CT of the abdomen reaching into the lower chest, slice just above the liver and spleen · axial plane, index 92 · W/L 400/40 HU · 768x768 px
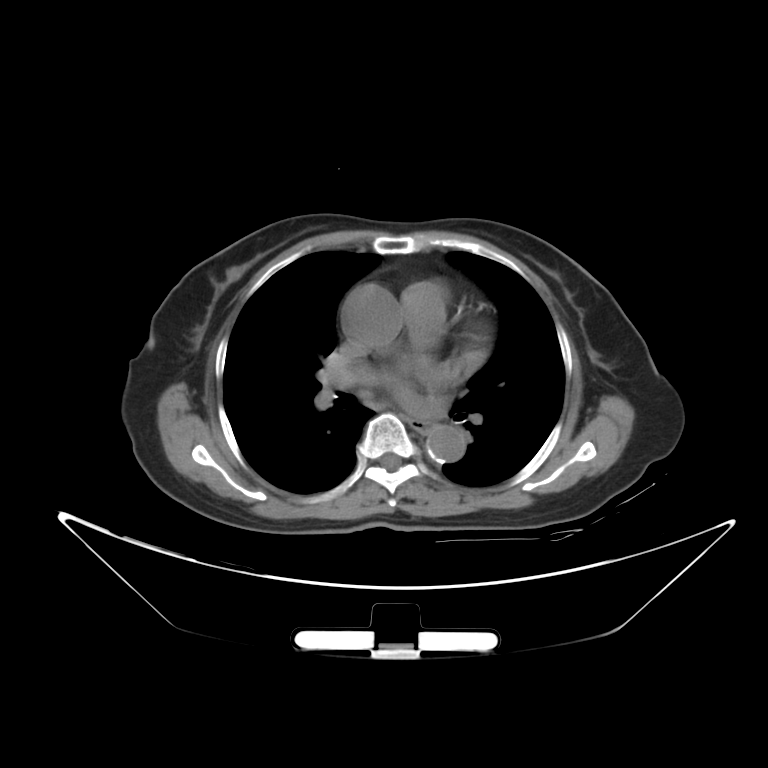

No part of the heart or lungs is labeled in this dataset, so neither has a box here.
Bounding boxes as [x1, y1, x2, y2] in pixel coordinates.
Organ bounding boxes:
- esophagus: [411, 420, 432, 432]
- aorta: [425, 425, 466, 462]